CT of the abdomen extending into the chest, slice through the chest · axial view
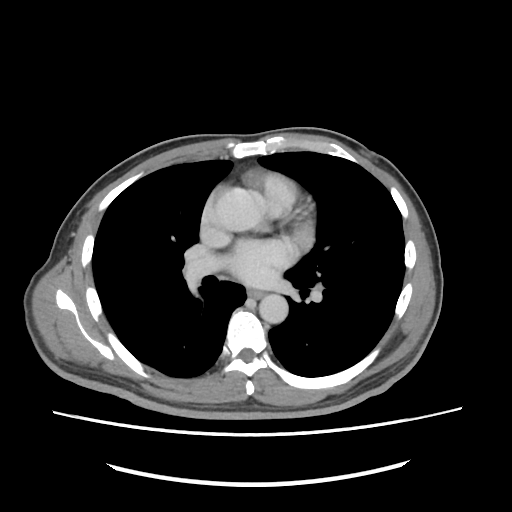 At this level of the chest this dataset labels only the esophagus and the aorta, and each is boxed only where it is labeled; the heart and lungs are never labeled.
{"organs":{"esophagus":[247,289,263,298],"aorta":[259,294,288,323]}}